CT abdomen; Axial slice 55/353; soft-tissue window; 15 organs annotated in this scan (that count is for the whole scan; organs this slice misses have no box)
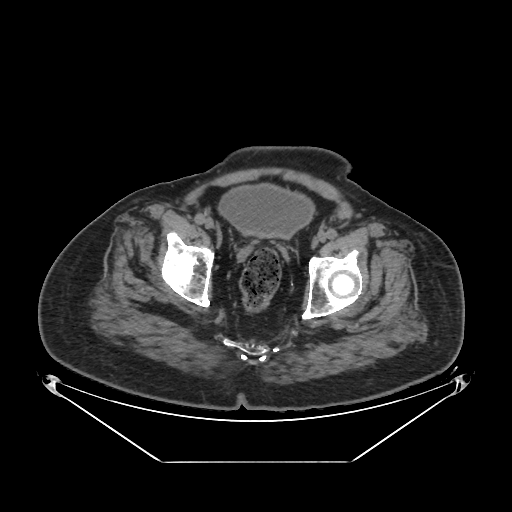 Bounding boxes as [x1, y1, x2, y2] in pixel coordinates.
bladder: [218, 184, 314, 238]